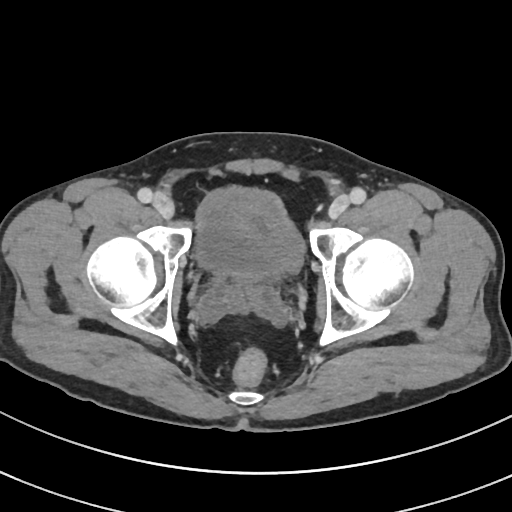
Computed tomography, abdomen — axial view
Boxes are (x1, y1, x2, y2) in pixels.
Organ bounding boxes:
- bladder: (195, 189, 305, 280)